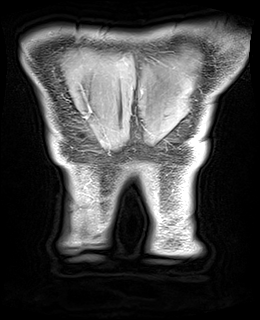
Magnetic resonance imaging, abdomen · coronal plane, index 0 · 260x320 px
Bounding boxes as [x1, y1, x2, y2] in pixel coordinates.
Organ bounding boxes:
- left kidney: [146, 180, 149, 180]